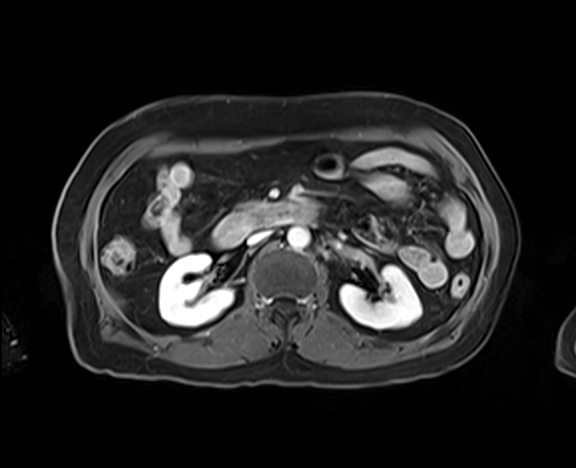
Abdominal MR — axial view — 13 organs annotated in this scan (a whole-scan count: organs this slice does not pass through have no box)
Boxes: x1 y1 x2 y2 (pixel coords, space-separated).
right kidney: 159 253 233 326
left kidney: 340 265 421 329
aorta: 287 227 310 250
inferior vena cava: 247 230 271 244
pancreas: 237 202 267 212
duodenum: 213 203 315 247